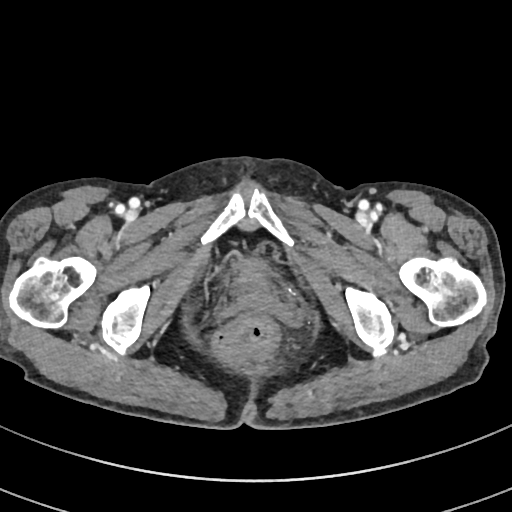

Abdominal CT — axial view — W/L 400/40 HU
Boxes are (x1, y1, x2, y2) in pixels.
bladder: (231, 256, 269, 288)